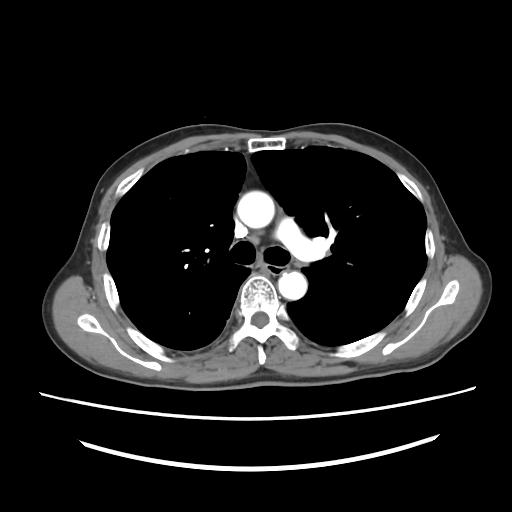
Chest-level slice from an abdominal CT that extends up into the chest · axial plane, index 105 · W/L 400/40 HU · 15 organs annotated in this scan (that count is for the whole scan; organs this slice misses have no box)
At this level of the chest this dataset labels only the esophagus and the aorta, and each is boxed only where it is labeled; the heart and lungs are never labeled.
One row per box, in pixels: columns x1 and y1 give the top-left corner, x2 and y2 the bottom-right.
| organ | x1 | y1 | x2 | y2 |
|---|---|---|---|---|
| esophagus | 263 | 265 | 289 | 275 |
| aorta | 237 | 191 | 274 | 228 |
| aorta | 278 | 271 | 307 | 299 |